CT, abdomen/pelvis; axial view; W/L 400/40 HU; SOMATOM Force scanner
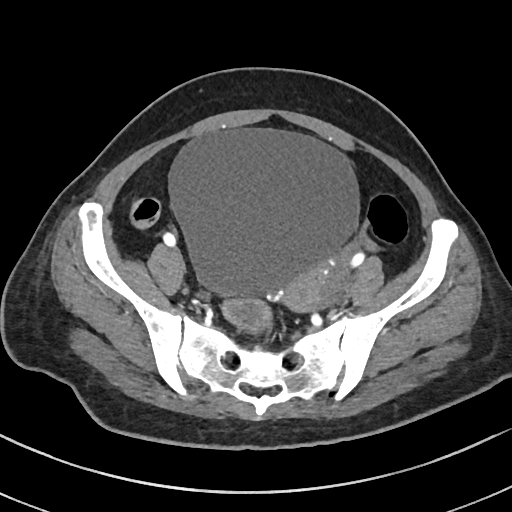
Bounding boxes in pixels, one row per box: x1, y1 is the top-left corner and x2, y2 the bottom-right.
| organ | x1 | y1 | x2 | y2 |
|---|---|---|---|---|
| bladder | 168 | 128 | 360 | 297 |
| prostate/uterus | 283 | 267 | 318 | 312 |